Abdominal CT; axial plane, index 69; soft-tissue window; 512x512 px
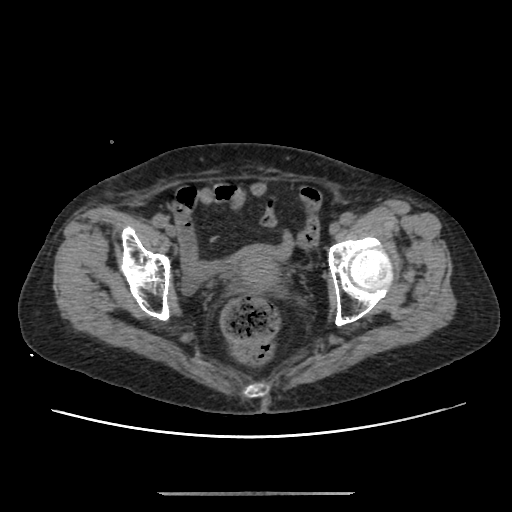 Boxes: x1 y1 x2 y2 (pixel coords, space-separated).
Organ bounding boxes:
- prostate/uterus: 234 247 279 290